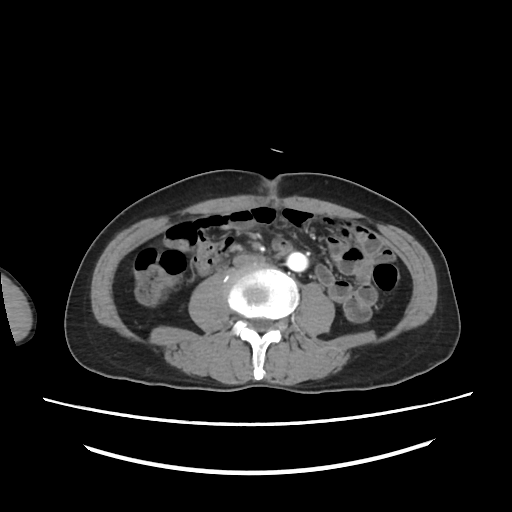

CT, abdomen/pelvis · axial view · soft-tissue window · 512x512 px
Boxes: x1:y1:x2:y2 in pixels.
Organ bounding boxes:
- aorta: 287:253:307:270
- inferior vena cava: 233:254:264:267